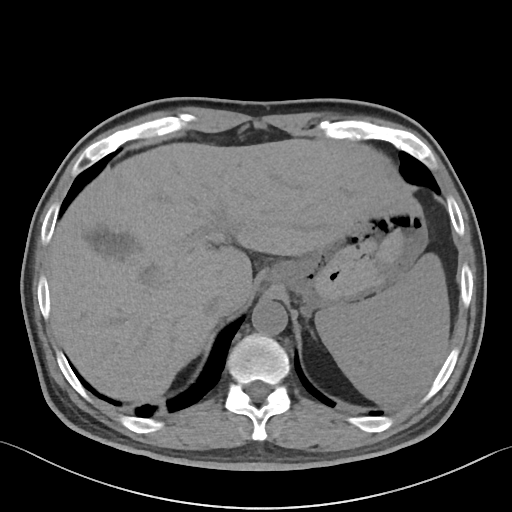

Abdominal CT · axial view
Bounding boxes in pixels, one row per box: x1, y1 is the top-left corner and x2, y2 the bottom-right.
| organ | x1 | y1 | x2 | y2 |
|---|---|---|---|---|
| spleen | 315 | 253 | 449 | 404 |
| gall bladder | 86 | 229 | 132 | 256 |
| liver | 48 | 138 | 444 | 402 |
| stomach | 264 | 199 | 427 | 312 |
| aorta | 252 | 300 | 287 | 335 |
| inferior vena cava | 203 | 296 | 222 | 316 |
| left adrenal gland | 311 | 331 | 314 | 337 |